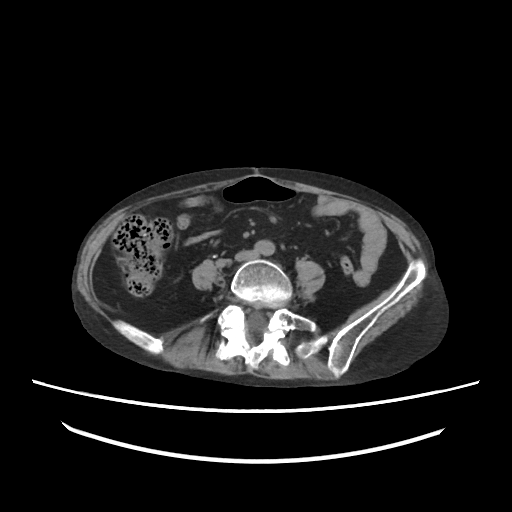

CT abdomen; axial view; 15 organs annotated in this scan (that count is for the whole scan; organs this slice misses have no box)
Box edges are left/top/right/bottom in pixels.
Organ bounding boxes:
- aorta: left=254, top=240, right=275, bottom=255
- inferior vena cava: left=235, top=250, right=255, bottom=261